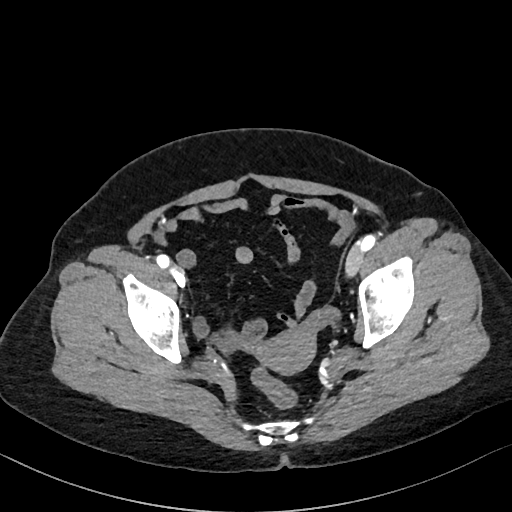 CT abdomen · axial view · W/L 400/40 HU · 512x512 px · scan has 15 labeled organs (counted over the whole 3D scan, not this slice; an organ is boxed only where this slice passes through it)
<organs><organ name="prostate/uterus" x1="258" y1="328" x2="314" y2="373"/></organs>